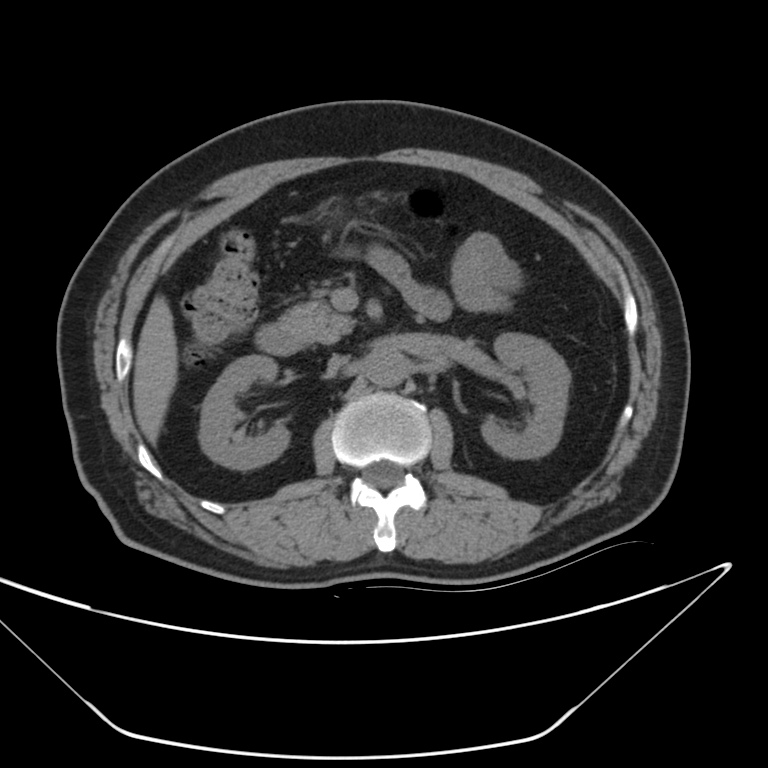
CT abdomen — axial view
{"organs":{"right kidney":[200,356,289,469],"left kidney":[479,330,570,459],"liver":[131,293,179,444],"aorta":[366,345,408,387],"inferior vena cava":[327,355,346,376],"pancreas":[278,301,352,341],"duodenum":[257,326,307,353]}}